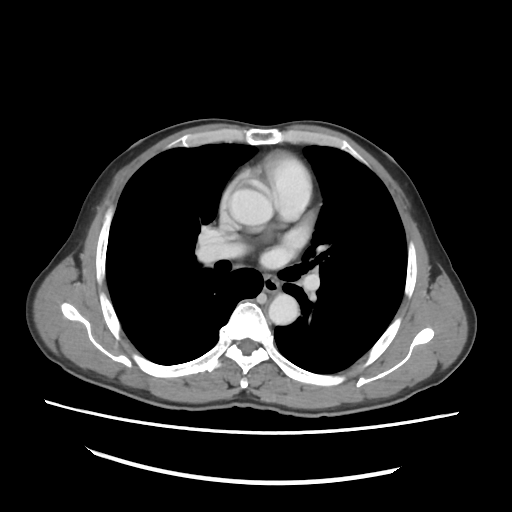
Chest-level CT slice, above the liver and spleen; axial view; soft-tissue window, W/L 400/40; 512x512 px
On a slice this high in the chest, this dataset labels only the esophagus and the aorta, and each is boxed only where it is labeled; the heart, lungs and other chest structures are not labeled.
Bounding boxes as [x1, y1, x2, y2] in pixel coordinates.
Organ bounding boxes:
- esophagus: [261, 277, 276, 291]
- aorta: [230, 180, 274, 226]
- aorta: [268, 294, 298, 324]